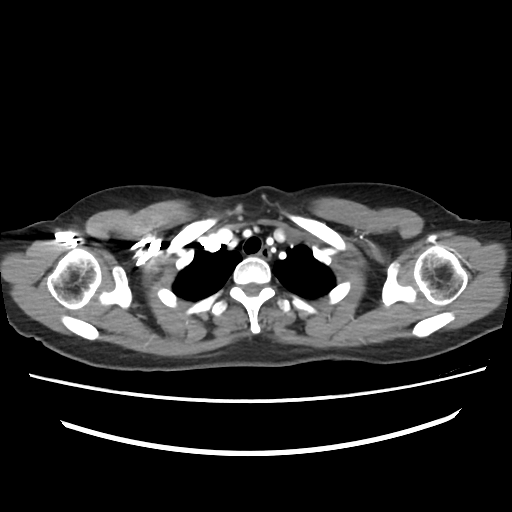

CT of the abdomen extending into the chest, slice through the chest; axial view
On a slice this high in the chest, this dataset labels only the esophagus and the aorta, and each is boxed only where it is labeled; the heart, lungs and other chest structures are not labeled.
Organ boxes in pixel coordinates; each row gives the top-left (x1, y1) and bottom-right (x2, y2) corners.
| organ | x1 | y1 | x2 | y2 |
|---|---|---|---|---|
| esophagus | 257 | 247 | 269 | 259 |